CT of the abdomen reaching into the lower chest, slice just above the liver and spleen; axial plane, index 86; W/L 400/40 HU; 768x768 px; 39-year-old male patient; 15 organs annotated in this scan (a whole-scan count: organs this slice does not pass through have no box)
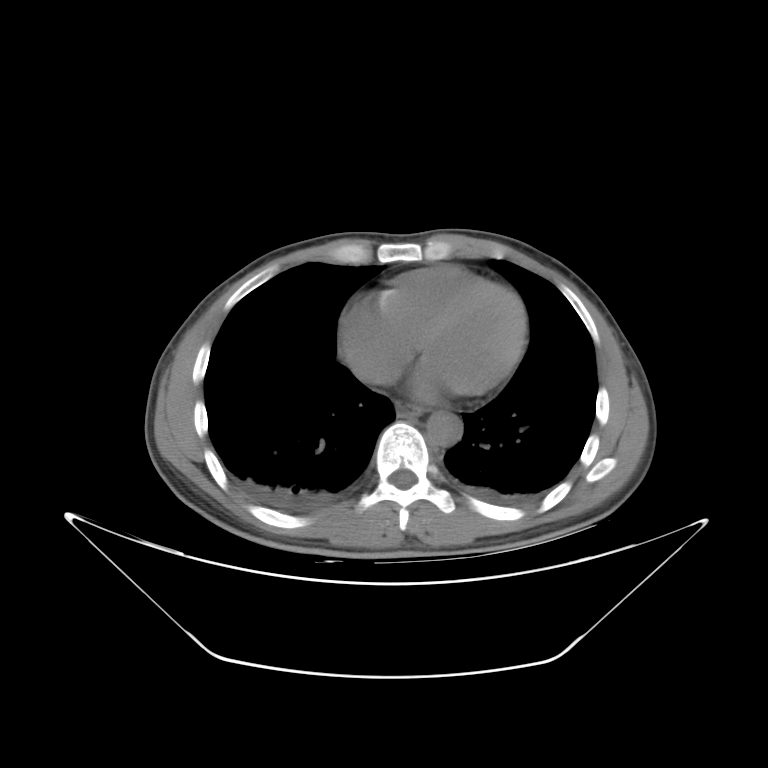
The heart and lungs are never labeled in this dataset, so they have no box on this slice.
{"organs":{"esophagus":[394,400,423,417],"aorta":[426,411,462,446],"inferior vena cava":[346,349,396,384]}}